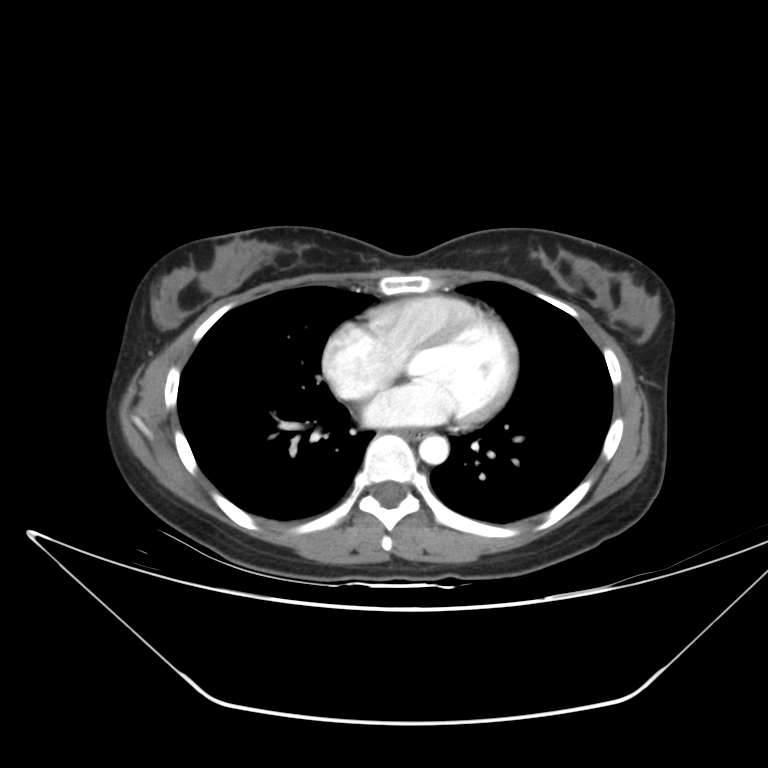 Abdominal CT; this slice is in the lower chest, just above the liver · axial plane, index 43 · 768x768 px · 34-year-old female patient · acquired on Brilliance16
The heart and lungs are never labeled in this dataset, so they have no box on this slice.
{"organs":{"esophagus":[400,426,423,436],"aorta":[419,434,448,464]}}